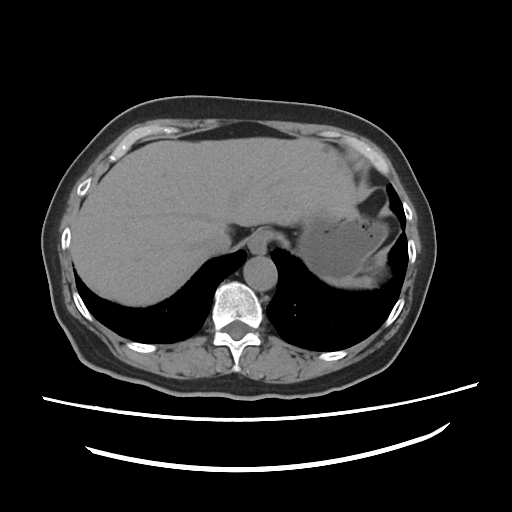 Computed tomography, abdomen; axial view; soft-tissue window (W 400 / L 40); 512x512 px; Aquilion ONE scanner
Each box given as x1,y1,x2,y2. Labeled organs on this slice: spleen at x1=325, y1=275, x2=375, y2=288, esophagus at x1=248, y1=229, x2=270, y2=254, liver at x1=71, y1=137, x2=359, y2=306, stomach at x1=295, y1=210, x2=388, y2=277, aorta at x1=243, y1=256, x2=277, y2=291, inferior vena cava at x1=202, y1=229, x2=231, y2=254.